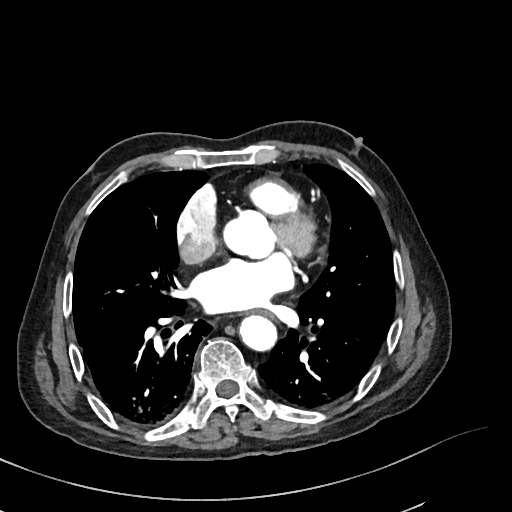 Lower-chest slice from an abdominal CT, just above the liver and spleen. axial view. soft-tissue window (W 400 / L 40)
Of the structures in the chest, this dataset labels only the esophagus, the aorta and the inferior vena cava; the heart and lungs have no label.
Each box given as x1,y1,x2,y2.
esophagus: x1=246, y1=310, x2=272, y2=319
aorta: x1=223, y1=209, x2=275, y2=260
aorta: x1=240, y1=315, x2=278, y2=352